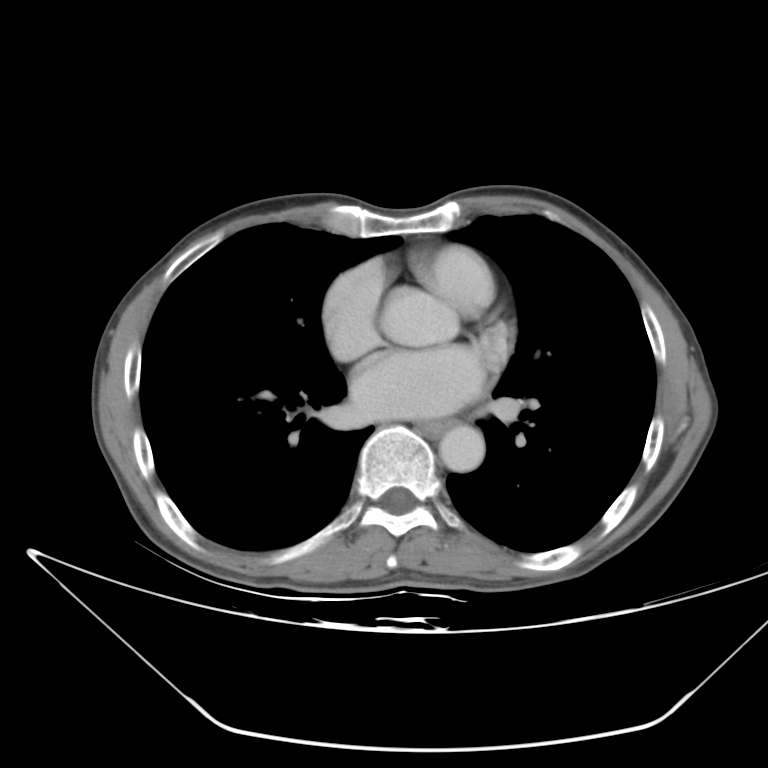

Chest-level slice from an abdominal CT that extends up into the chest. axial plane, index 68. W/L 400/40 HU. scan has 13 labeled organs (a whole-scan count: organs this slice does not pass through have no box)
At this level of the chest no structure but the esophagus and the aorta has a label in this dataset, and those two are boxed only where they are labeled.
{"organs":{"esophagus":[410,419,460,438],"aorta":[438,426,482,474]}}